CT abdomen · axial plane, index 51 · scan has 15 labeled organs (that count is for the whole scan; organs this slice misses have no box)
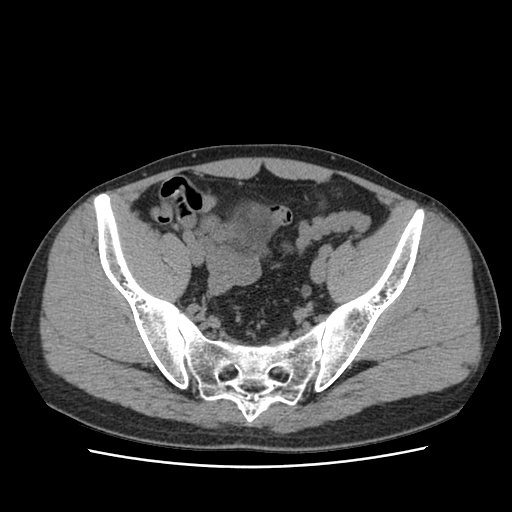

Box edges are left/top/right/bottom in pixels. The annotated organs in this slice are: bladder at left=232, top=204, right=267, bottom=255.